Abdominal CT. axial view. soft-tissue window (W 400 / L 40). scan has 15 labeled organs (a whole-scan count: organs this slice does not pass through have no box)
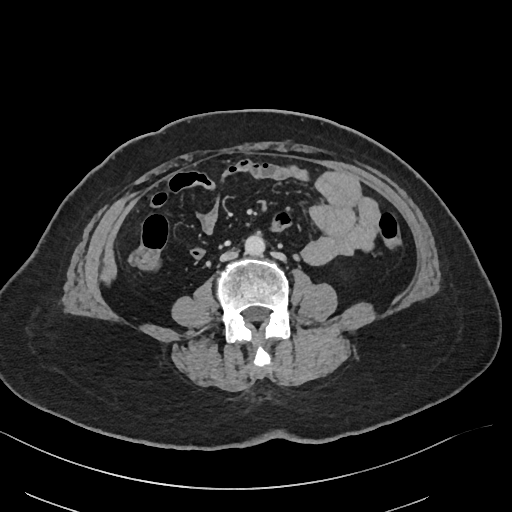
{"organs":{"aorta":[245,235,265,255],"inferior vena cava":[220,250,238,261]}}